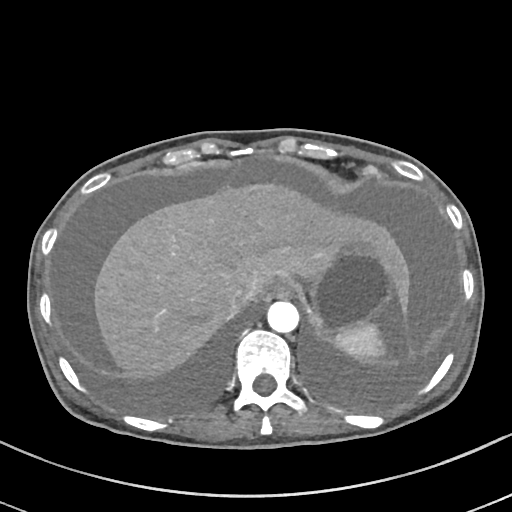

Abdominal CT · axial view · abdomen soft-tissue window · 512x512 px · SOMATOM Force scanner
{"organs":{"spleen":[335,323,384,358],"esophagus":[270,279,296,298],"liver":[94,183,410,378],"stomach":[310,242,395,337],"aorta":[268,301,299,333],"inferior vena cava":[227,284,253,312]}}